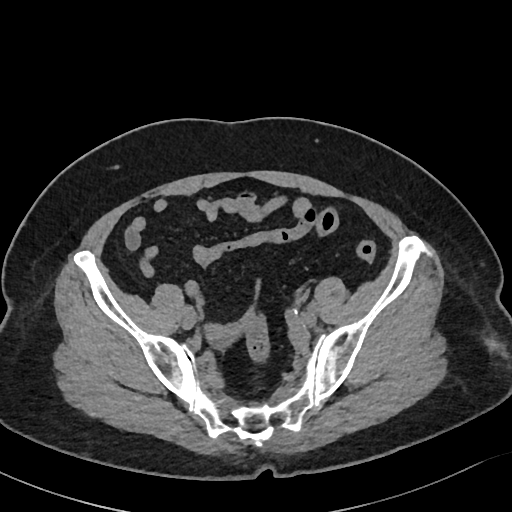 CT abdomen. axial view
{"organs":{"prostate/uterus":[204,324,237,345]}}